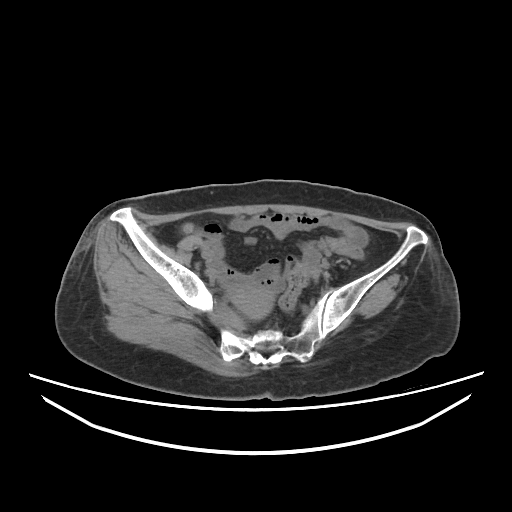

CT, abdomen/pelvis. Axial slice 28/97. soft-tissue window (W 400 / L 40). 512x512 px. 49-year-old female patient
<organs><organ name="prostate/uterus" x1="233" y1="287" x2="273" y2="319"/></organs>